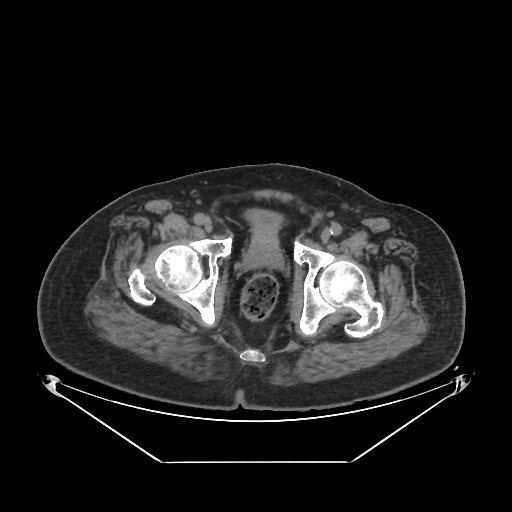

CT, abdomen/pelvis. axial view. scan has 15 labeled organs (a whole-scan count: organs this slice does not pass through have no box)
{"organs":{"prostate/uterus":[247,237,280,263],"bladder":[246,209,282,240]}}